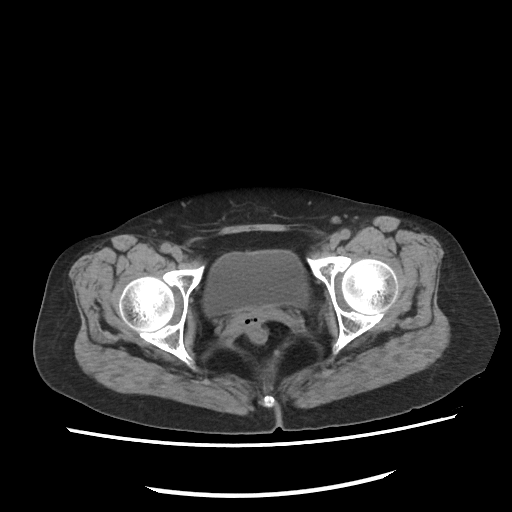

CT abdomen — Axial slice 16/88 — Aquilion ONE scanner
Bounding boxes in pixels, one row per box: x1, y1 is the top-left corner and x2, y2 the bottom-right.
| organ | x1 | y1 | x2 | y2 |
|---|---|---|---|---|
| bladder | 202 | 252 | 310 | 317 |